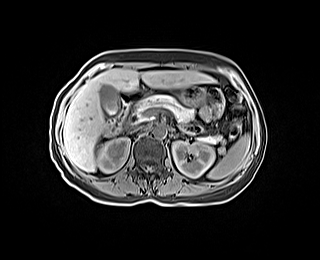
Abdominal MR; axial view; percentile-normalized
Bounding boxes as [x1, y1, x2, y2] in pixel coordinates.
spleen: [207, 134, 250, 179]
right kidney: [97, 137, 130, 172]
left kidney: [172, 141, 214, 177]
gall bladder: [99, 84, 118, 114]
liver: [63, 68, 214, 171]
stomach: [177, 85, 205, 105]
aorta: [153, 125, 166, 137]
inferior vena cava: [132, 125, 144, 130]
pancreas: [135, 95, 221, 143]
duodenum: [104, 89, 149, 138]